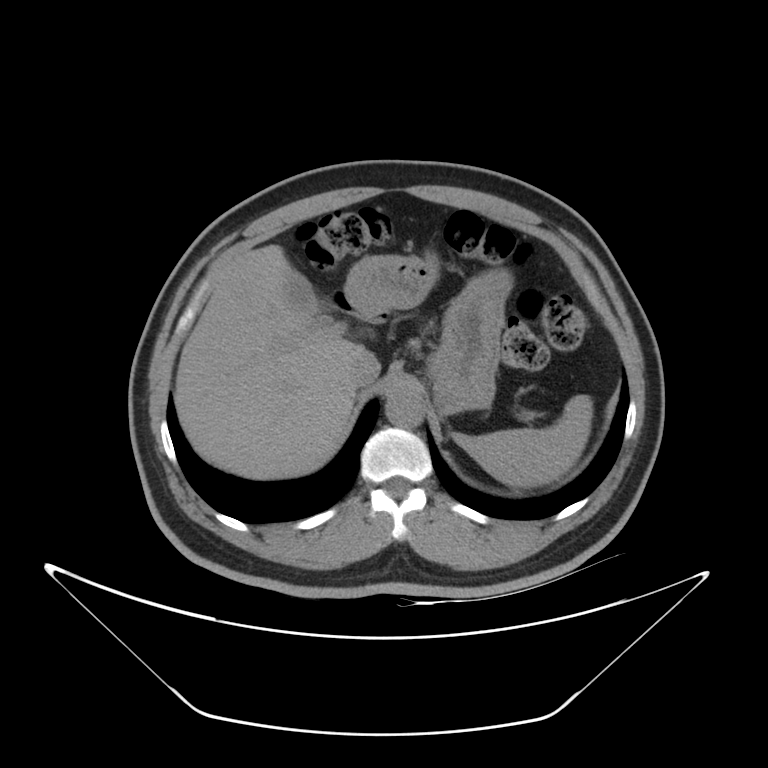
Abdominal CT. axial plane, index 71. soft-tissue window (W 400 / L 40). 15 organs annotated in this scan (counted over the whole 3D scan, not this slice; an organ is boxed only where this slice passes through it)
Box edges are left/top/right/bottom in pixels.
spleen: left=453, top=394, right=592, bottom=486
gall bladder: left=287, top=276, right=314, bottom=309
liver: left=175, top=244, right=364, bottom=479
stomach: left=337, top=248, right=513, bottom=415
aorta: left=385, top=388, right=424, bottom=428
inferior vena cava: left=345, top=350, right=381, bottom=387